Abdominal CT. axial view. abdomen soft-tissue window
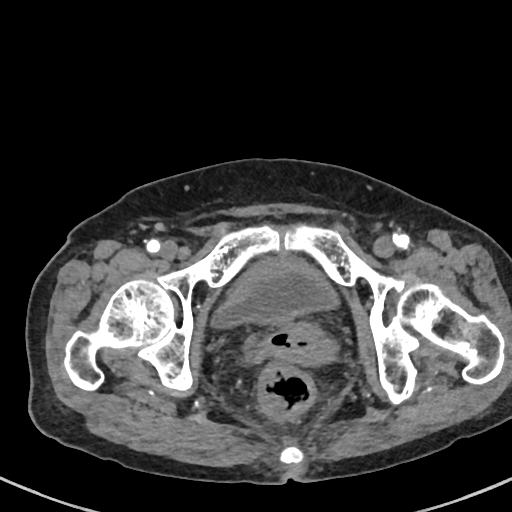

Boxes: x1:y1:x2:y2 in pixels. 2 labeled organs on this slice — bladder at 210:251:339:329; prostate/uterus at 281:334:331:367.